Abdominal CT — axial view — W/L 400/40 HU — Brilliance16 scanner — scan has 14 labeled organs (a whole-scan count: organs this slice does not pass through have no box)
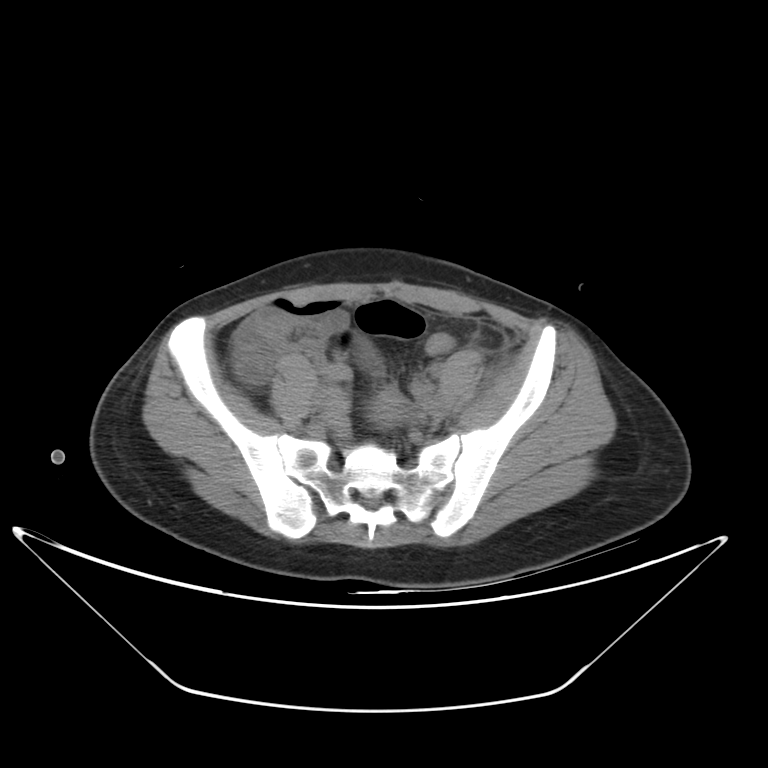

Boxes: x1 y1 x2 y2 (pixel coords, space-separated).
Organ bounding boxes:
- prostate/uterus: 370 390 400 424